Chest-level CT slice, above the liver and spleen. axial plane, index 228. soft-tissue window (W 400 / L 40). 512x512 px
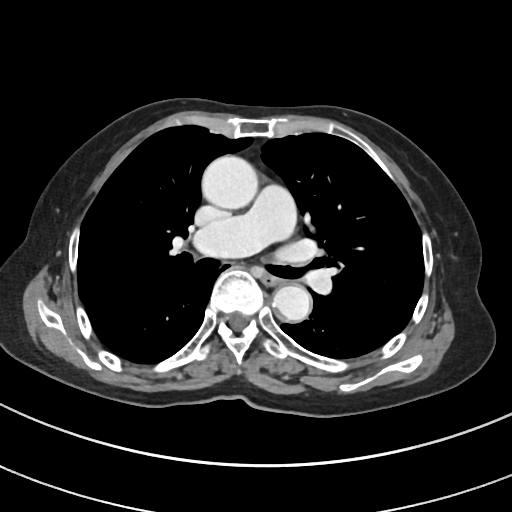 At this level of the chest no structure but the esophagus and the aorta has a label in this dataset, and those two are boxed only where they are labeled.
One row per box, in pixels: columns x1 and y1 give the top-left corner, x2 and y2 the bottom-right.
| organ | x1 | y1 | x2 | y2 |
|---|---|---|---|---|
| esophagus | 264 | 272 | 284 | 285 |
| aorta | 201 | 155 | 257 | 209 |
| aorta | 273 | 285 | 311 | 322 |